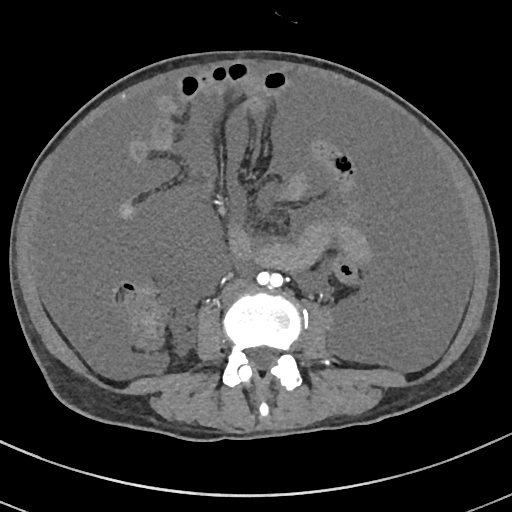
Computed tomography, abdomen · axial view · W/L 400/40 HU
Boxes are (x1, y1, x2, y2) in pixels. Labeled organs on this slice: inferior vena cava at (221, 279, 253, 303).